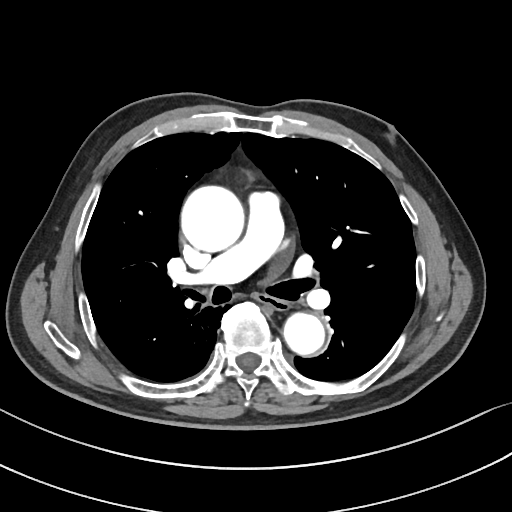
Abdominal CT reaching into the chest; this slice is in the chest · axial plane, index 241 · soft-tissue window, W/L 400/40
At this level of the chest no structure but the esophagus and the aorta has a label in this dataset, and those two are boxed only where they are labeled.
<organs><organ name="esophagus" x1="257" y1="294" x2="287" y2="309"/><organ name="aorta" x1="181" y1="185" x2="244" y2="251"/><organ name="aorta" x1="282" y1="312" x2="324" y2="354"/></organs>